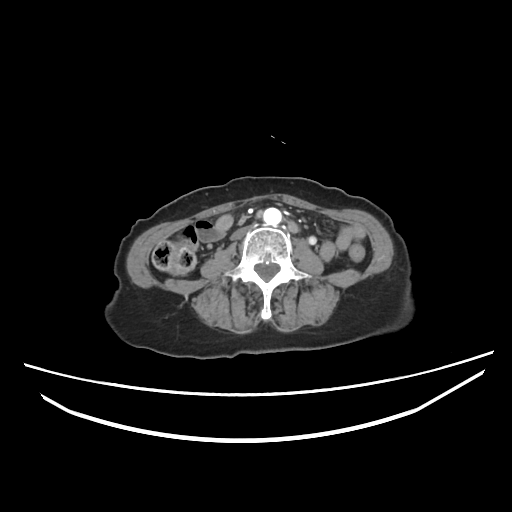
Computed tomography, abdomen · Axial slice 50/122 · 512x512 px
<organs><organ name="inferior vena cava" x1="230" y1="225" x2="254" y2="241"/><organ name="aorta" x1="263" y1="207" x2="283" y2="225"/></organs>